Computed tomography, abdomen. axial plane, index 7. SOMATOM Force scanner. 15 organs annotated in this scan (a whole-scan count: organs this slice does not pass through have no box)
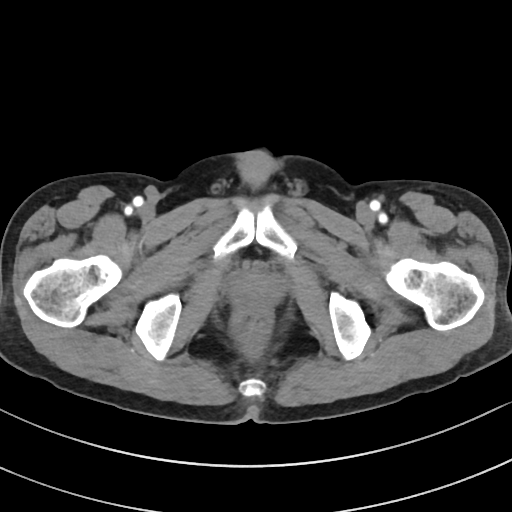 Box edges are left/top/right/bottom in pixels. The annotated organs in this slice are: prostate/uterus at left=231, top=273, right=280, bottom=306.